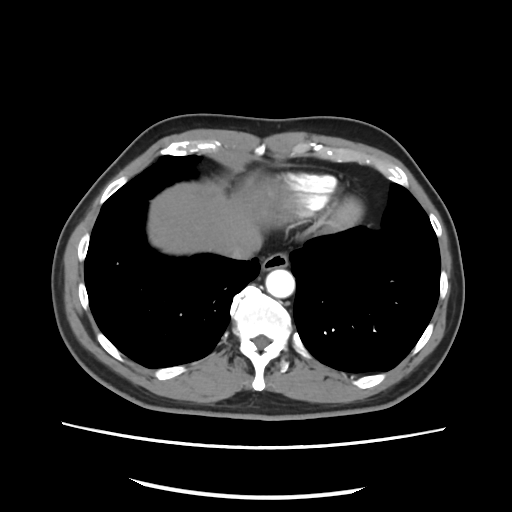

CT abdomen · axial view · abdomen soft-tissue window · acquired on Aquilion ONE
<organs><organ name="liver" x1="149" y1="184" x2="261" y2="254"/><organ name="esophagus" x1="261" y1="253" x2="288" y2="272"/><organ name="aorta" x1="266" y1="269" x2="296" y2="299"/><organ name="inferior vena cava" x1="222" y1="240" x2="259" y2="258"/></organs>